CT, abdomen/pelvis; axial view; soft-tissue window (W 400 / L 40)
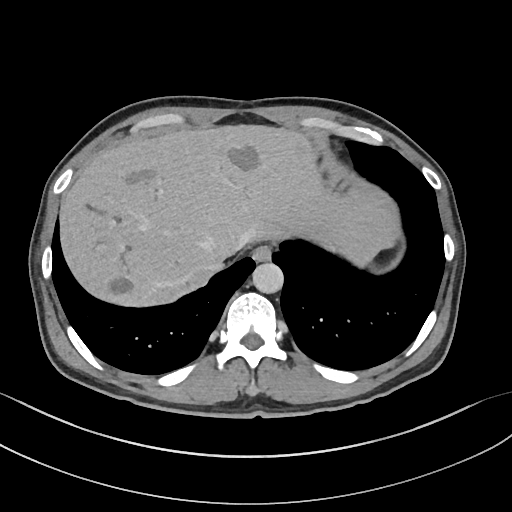

Boxes: x1:y1:x2:y2 in pixels. The annotated organs in this slice are: esophagus at 252:245:271:261, inferior vena cava at 206:258:223:273, aorta at 252:262:283:293, liver at 59:124:399:306.